CT abdomen; Axial slice 153/173
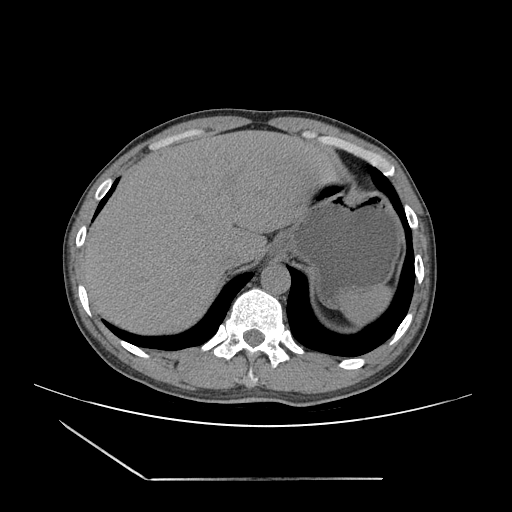

One row per box, in pixels: columns x1 and y1 give the top-left corner, x2 and y2 the bottom-right.
| organ | x1 | y1 | x2 | y2 |
|---|---|---|---|---|
| aorta | 260 | 263 | 290 | 294 |
| inferior vena cava | 218 | 247 | 244 | 270 |
| spleen | 335 | 284 | 389 | 326 |
| liver | 82 | 129 | 337 | 336 |
| stomach | 271 | 190 | 404 | 297 |